CT, abdomen/pelvis. axial view. soft-tissue window. 72-year-old male patient
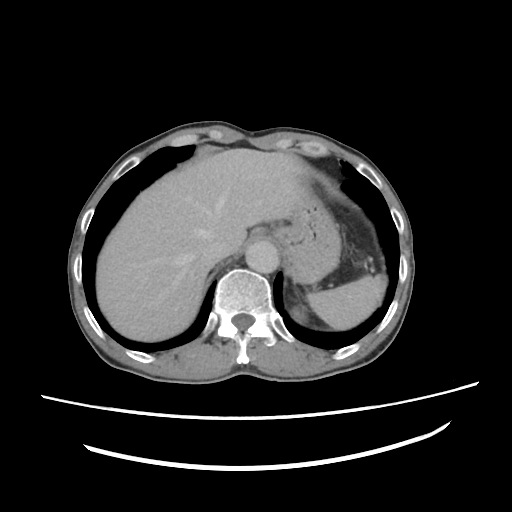

Box edges are left/top/right/bottom in pixels.
Organ bounding boxes:
- spleen: left=308, top=276, right=382, bottom=328
- left kidney: left=290, top=307, right=308, bottom=324
- liver: left=97, top=148, right=311, bottom=341
- stomach: left=276, top=183, right=339, bottom=283
- aorta: left=245, top=240, right=279, bottom=274
- inferior vena cava: left=201, top=232, right=231, bottom=262